CT, abdomen/pelvis — axial view — abdomen soft-tissue window
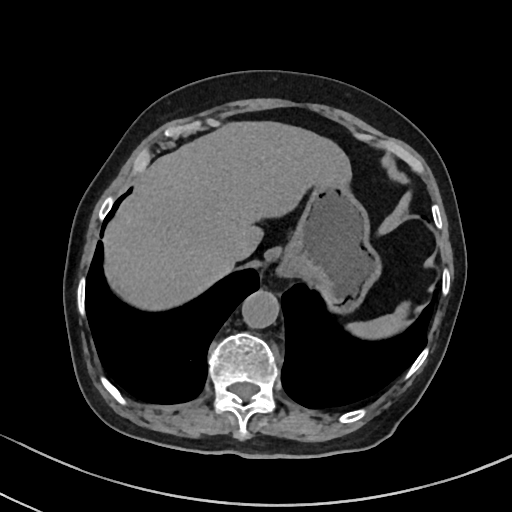
Boxes are (x1, y1, x2, y2) in pixels.
spleen: (347, 301, 409, 338)
liver: (103, 121, 351, 310)
stomach: (280, 182, 381, 313)
aorta: (241, 290, 279, 328)
inferior vena cava: (225, 240, 246, 261)